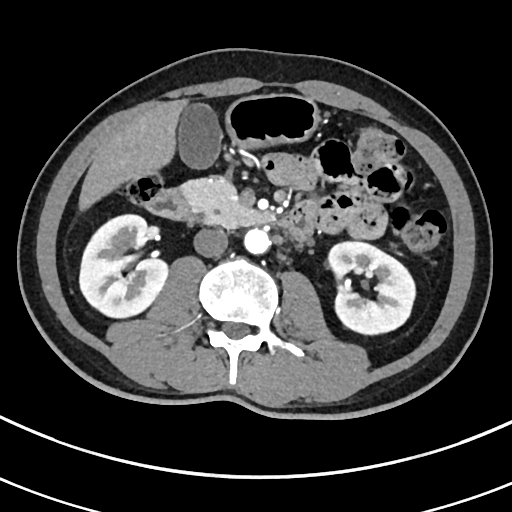

CT, abdomen/pelvis · axial view · soft-tissue window (W 400 / L 40) · 15 organs annotated in this scan (a whole-scan count: organs this slice does not pass through have no box)
Boxes: x1:y1:x2:y2 in pixels.
gall bladder: 177:103:222:168
pancreas: 179:177:268:228
stomach: 224:93:320:148
duodenum: 146:188:315:240
liver: 79:99:187:210
inferior vena cava: 193:228:228:256
right kidney: 79:214:168:318
aorta: 243:228:270:254
left kidney: 328:242:415:334